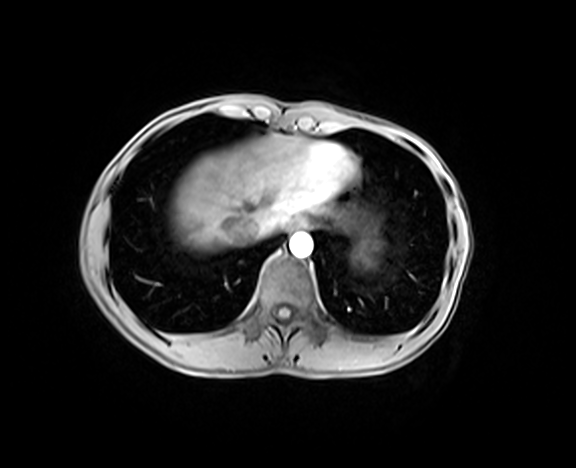 Abdominal MRI. axial view
Bounding boxes in pixels, one row per box: x1, y1 is the top-left corner and x2, y2 the bottom-right.
| organ | x1 | y1 | x2 | y2 |
|---|---|---|---|---|
| esophagus | 288 | 218 | 309 | 231 |
| liver | 171 | 134 | 336 | 250 |
| aorta | 290 | 233 | 313 | 258 |
| inferior vena cava | 227 | 217 | 261 | 242 |